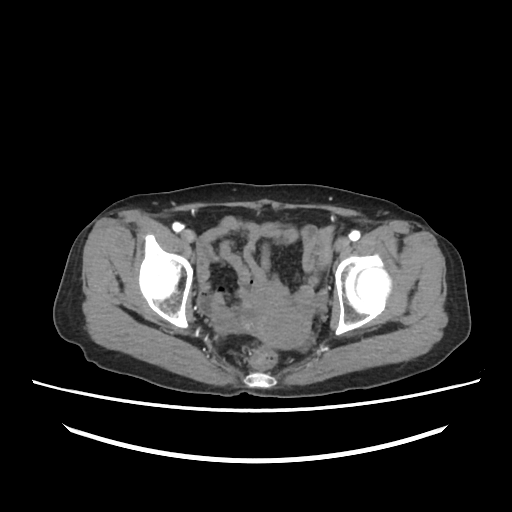
CT, abdomen/pelvis · axial view · 512x512 px · 15 organs annotated in this scan (that count is for the whole scan; organs this slice misses have no box)
Each box given as x1,y1,x2,y2. The annotated organs in this slice are: prostate/uterus at x1=249, y1=306, x2=310, y2=348.